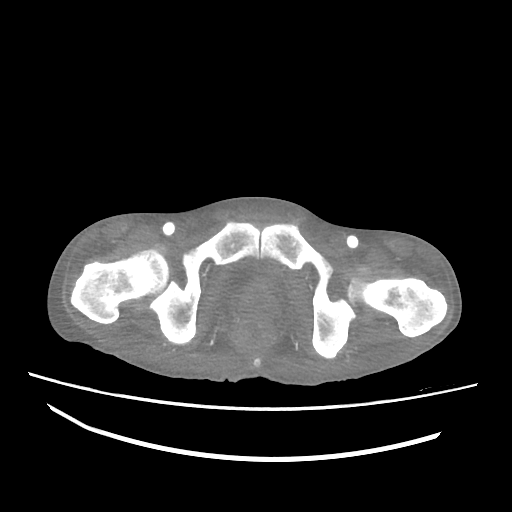 CT, abdomen/pelvis; axial view; soft-tissue window (W 400 / L 40); 47-year-old male patient
Box edges are left/top/right/bottom in pixels. 2 labeled organs on this slice — bladder at left=222, top=257, right=272, bottom=297; prostate/uterus at left=231, top=284, right=279, bottom=321.